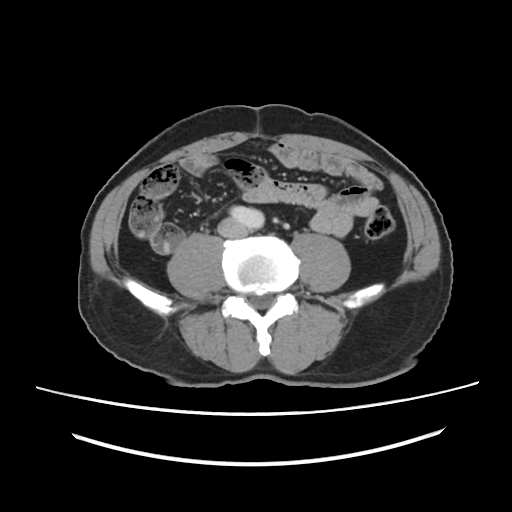
Abdominal CT. Axial slice 42/124. abdomen soft-tissue window. 512x512 px. 58-year-old male patient
<organs><organ name="aorta" x1="231" y1="206" x2="264" y2="229"/><organ name="inferior vena cava" x1="218" y1="218" x2="245" y2="237"/></organs>